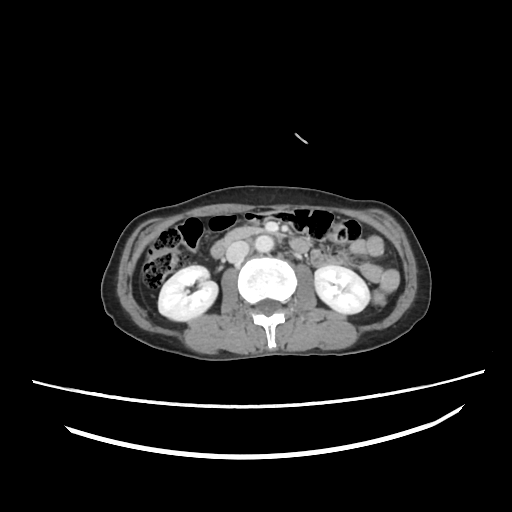 Abdominal CT · Axial slice 51/78 · 15 organs annotated in this scan (that count is for the whole scan; organs this slice misses have no box)
Organ boxes in pixel coordinates; each row gives the top-left (x1, y1) and bottom-right (x2, y2) corners.
| organ | x1 | y1 | x2 | y2 |
|---|---|---|---|---|
| right kidney | 159 | 265 | 217 | 320 |
| left kidney | 314 | 265 | 369 | 314 |
| aorta | 255 | 234 | 275 | 253 |
| inferior vena cava | 226 | 240 | 250 | 262 |
| pancreas | 224 | 227 | 261 | 242 |
| duodenum | 211 | 239 | 228 | 258 |